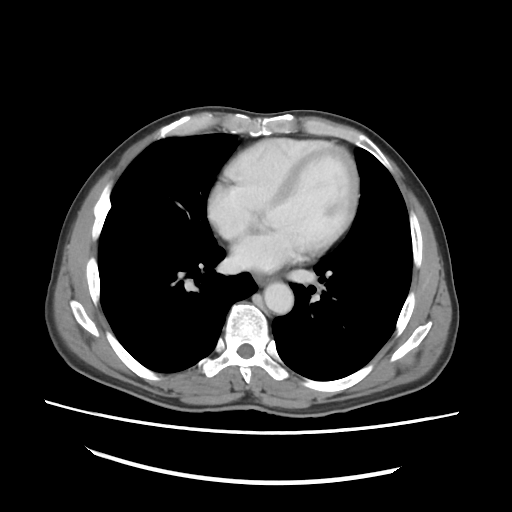 Lower-chest slice from an abdominal CT, just above the liver and spleen. axial view. W/L 400/40 HU. 61-year-old male patient. acquired on Aquilion ONE
The heart and lungs are never labeled in this dataset, so they have no box on this slice.
Each box given as x1,y1,x2,y2.
Organ bounding boxes:
- aorta: x1=263, y1=282, x2=293, y2=314
- esophagus: x1=254, y1=273, x2=271, y2=284